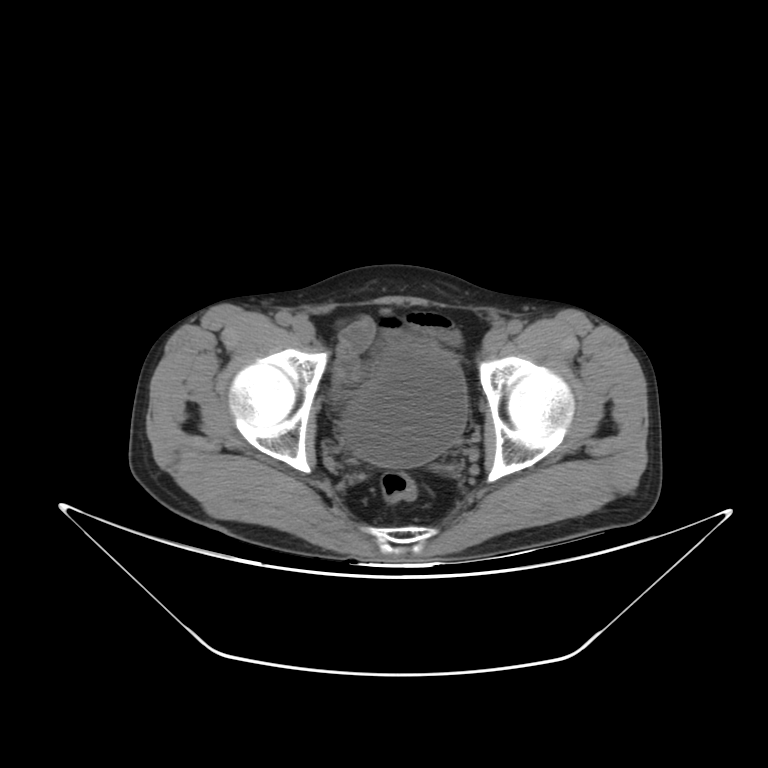

Abdominal CT. axial plane, index 19. abdomen soft-tissue window. Brilliance16 scanner. scan has 14 labeled organs (a whole-scan count: organs this slice does not pass through have no box)
Coordinates as <box>x1,y1,x2,y2</box> in pixels.
bladder: <box>342,342,467,467</box>